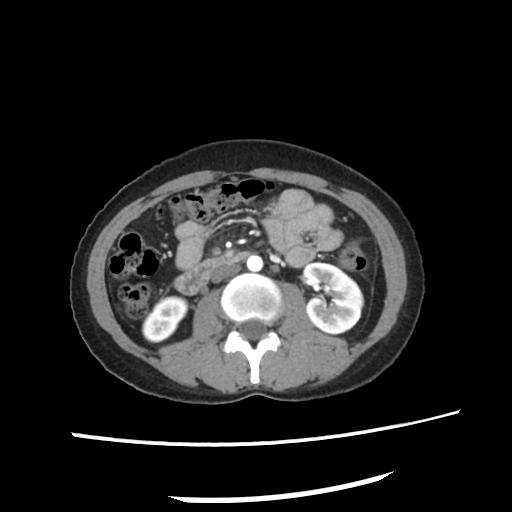 CT, abdomen/pelvis; axial view
Boxes: x1:y1:x2:y2 in pixels.
Organ bounding boxes:
- right kidney: 143:297:186:341
- left kidney: 302:261:363:332
- aorta: 247:256:261:270
- inferior vena cava: 211:266:241:283
- duodenum: 174:252:249:294